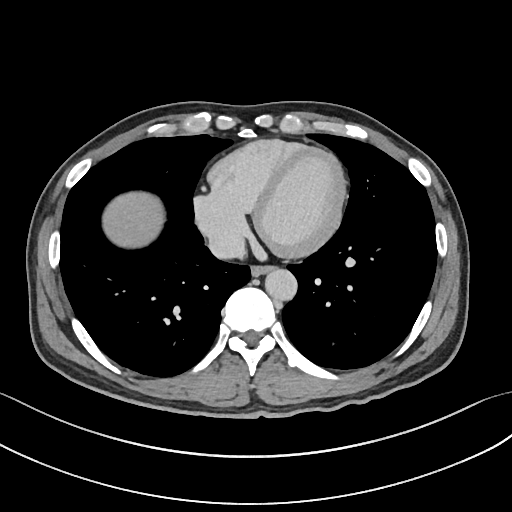

Computed tomography, abdomen; axial view; soft-tissue window
Boxes: x1:y1:x2:y2 in pixels. Labeled organs on this slice: esophagus at 250:266:272:277, liver at 103:192:163:248, aorta at 265:269:297:301, inferior vena cava at 209:232:245:258.